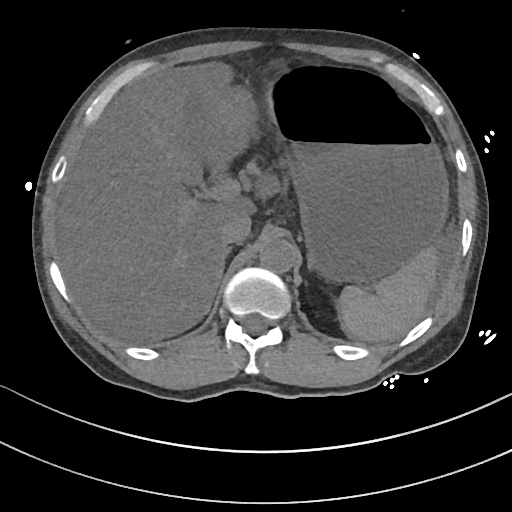

CT, abdomen/pelvis; axial view; soft-tissue window (W 400 / L 40)
Boxes are (x1, y1, x2, y2) in pixels.
gall bladder: (187, 93, 238, 178)
spleen: (336, 246, 439, 341)
aorta: (259, 237, 296, 272)
left adrenal gland: (308, 262, 311, 268)
liver: (56, 62, 279, 342)
right adrenal gland: (205, 246, 232, 313)
inferior vena cava: (219, 214, 251, 244)
stomach: (266, 66, 448, 282)